Computed tomography, abdomen · axial plane, index 206 · soft-tissue window · 15 organs annotated in this scan (that count is for the whole scan; organs this slice misses have no box)
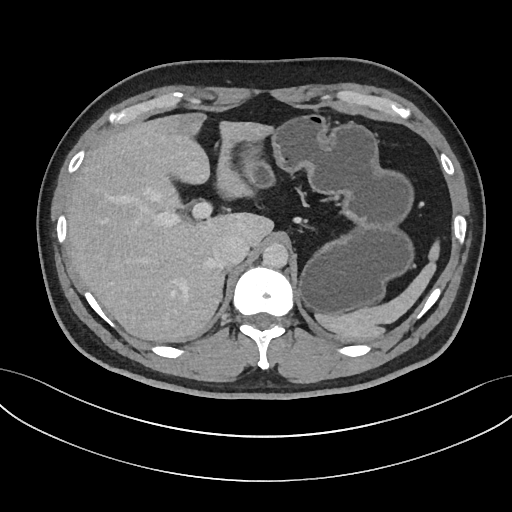 One row per box, in pixels: columns x1 and y1 give the top-left corner, x2 and y2 the bottom-right.
| organ | x1 | y1 | x2 | y2 |
|---|---|---|---|---|
| stomach | 226 | 114 | 414 | 315 |
| inferior vena cava | 212 | 235 | 249 | 267 |
| aorta | 262 | 243 | 288 | 268 |
| spleen | 316 | 241 | 439 | 339 |
| right adrenal gland | 220 | 271 | 227 | 300 |
| liver | 66 | 113 | 273 | 342 |